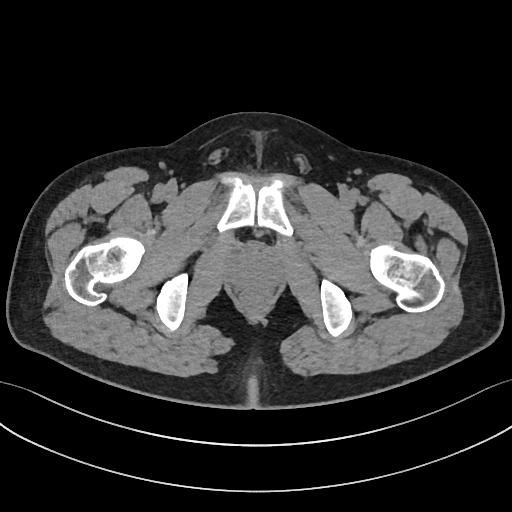

CT, abdomen/pelvis. axial view. soft-tissue window (W 400 / L 40). 512x512 px
Boxes: x1:y1:x2:y2 in pixels.
prostate/uterus: 230:252:279:289